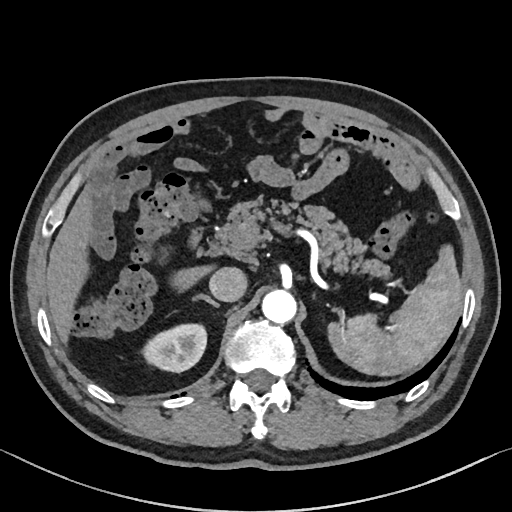
Computed tomography, abdomen — axial view — abdomen soft-tissue window — 512x512 px — 15 organs annotated in this scan (that count is for the whole scan; organs this slice misses have no box)
Box edges are left/top/right/bottom in pixels. Labeled organs on this slice: spleen at left=328, top=244, right=462, bottom=375, right kidney at left=140, top=323, right=206, bottom=372, liver at left=46, top=183, right=211, bottom=343, aorta at left=261, top=289, right=296, bottom=324, inferior vena cava at left=209, top=267, right=247, bottom=301, pancreas at left=209, top=201, right=391, bottom=279, right adrenal gland at left=192, top=294, right=219, bottom=307, duodenum at left=189, top=224, right=203, bottom=246.